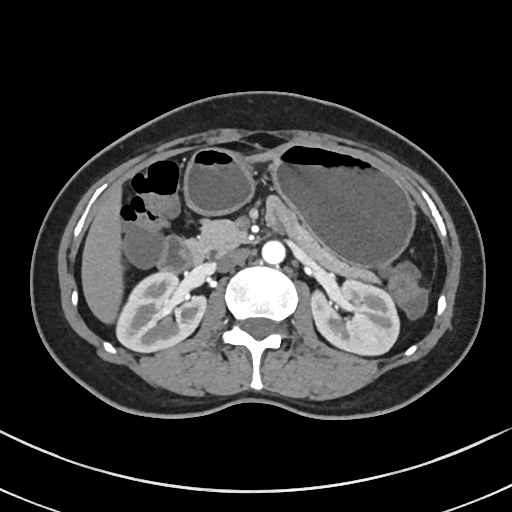 CT, abdomen/pelvis; axial view; 512x512 px
Boxes are (x1, y1, x2, y2) in pixels. Labeled organs on this slice: pancreas at (188, 214, 381, 286), right kidney at (118, 273, 208, 353), duodenum at (159, 236, 203, 272), stomach at (183, 144, 415, 268), liver at (81, 149, 276, 326), inferior vena cava at (216, 249, 248, 272), left kidney at (310, 280, 398, 356), aorta at (261, 241, 284, 265).